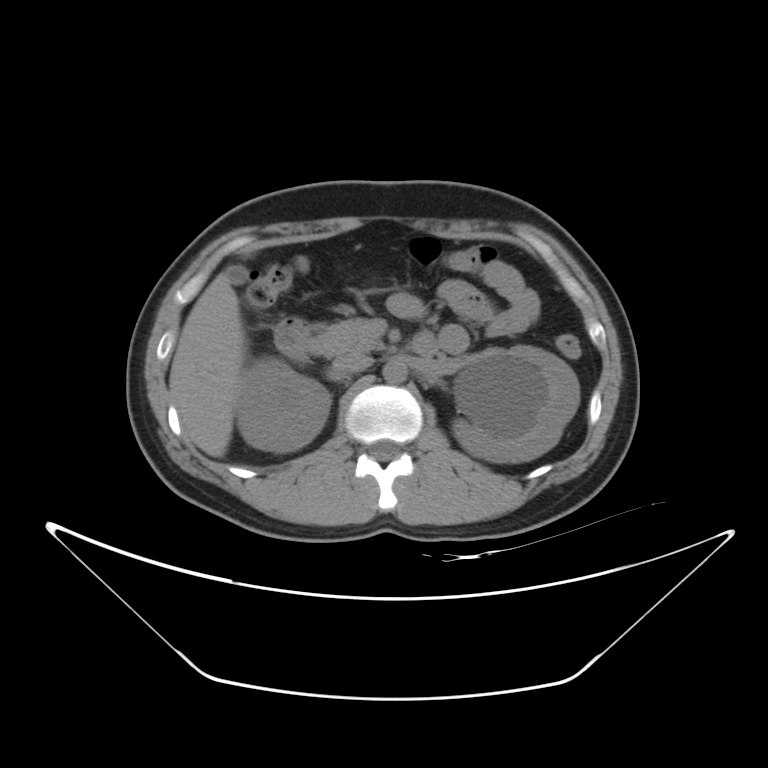
Abdominal CT; axial view
Coordinates as <box>x1,y1,x2,y2</box> in pixels. Labeled organs on this slice: right kidney at <box>236,357,331,452</box>, left kidney at <box>452,345,579,462</box>, gall bladder at <box>226,265,248,284</box>, liver at <box>169,272,247,456</box>, aorta at <box>382,359,407,382</box>, inferior vena cava at <box>332,350,372,375</box>, pancreas at <box>310,318,384,357</box>, duodenum at <box>274,318,311,362</box>.